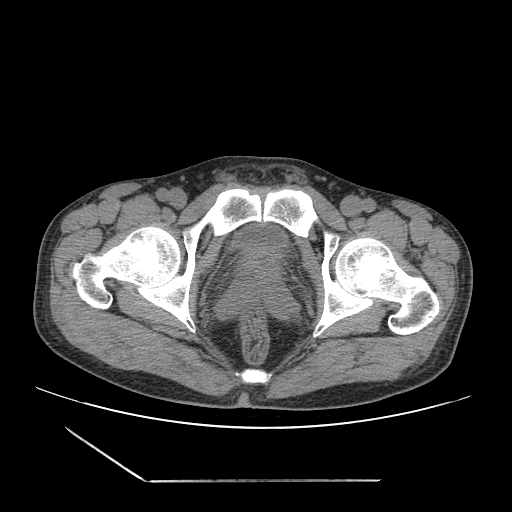
CT, abdomen/pelvis · axial view · soft-tissue window · 512x512 px · scan has 15 labeled organs (that count is for the whole scan; organs this slice misses have no box)
{"organs":{"bladder":[235,224,286,256],"prostate/uterus":[238,251,282,286]}}